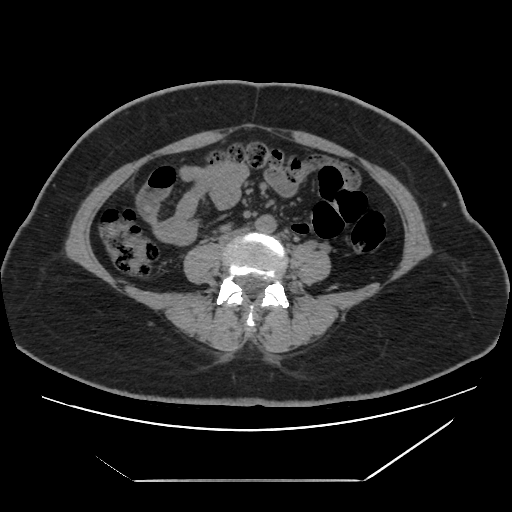

CT, abdomen/pelvis. axial view. 512x512 px
Boxes: x1:y1:x2:y2 in pixels.
Organ bounding boxes:
- aorta: 255:215:276:233
- inferior vena cava: 220:228:248:242